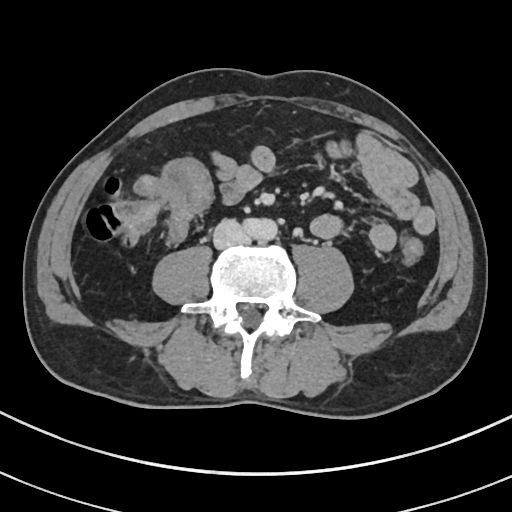

CT, abdomen/pelvis. axial view. 512x512 px. SOMATOM Force scanner. 15 organs annotated in this scan (that count is for the whole scan; organs this slice misses have no box)
<organs><organ name="inferior vena cava" x1="213" y1="219" x2="250" y2="249"/><organ name="aorta" x1="243" y1="218" x2="277" y2="241"/></organs>